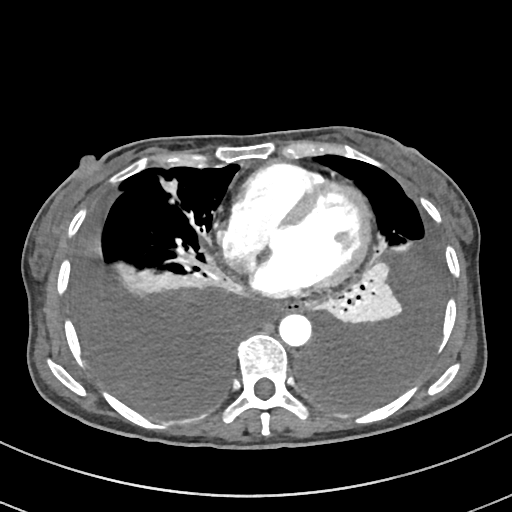

CT of the abdomen reaching into the lower chest, slice just above the liver and spleen. axial view. SOMATOM Force scanner
Of the structures in the chest, this dataset labels only the esophagus, the aorta and the inferior vena cava; the heart and lungs have no label.
{"organs":{"esophagus":[274,301,299,312],"aorta":[278,313,311,345]}}